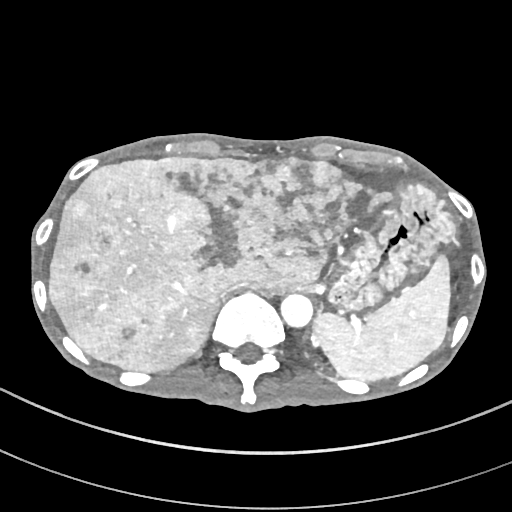 Abdominal CT · axial view · acquired on SOMATOM Force · scan has 15 labeled organs (that count is for the whole scan; organs this slice misses have no box)
{"organs":{"inferior vena cava":[218,281,251,298],"aorta":[280,293,313,327],"spleen":[313,256,450,381],"liver":[48,155,391,371],"stomach":[329,178,457,311]}}